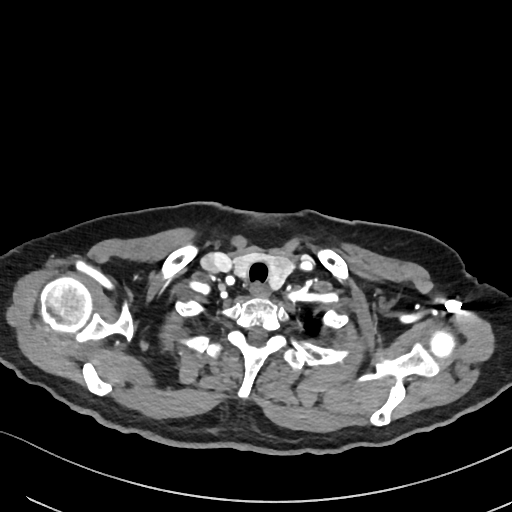
Chest-level CT slice, above the liver and spleen · Axial slice 290/297
At this level of the chest this dataset labels only the esophagus and the aorta, and each is boxed only where it is labeled; the heart and lungs are never labeled.
Bounding boxes in pixels, one row per box: x1, y1 is the top-left corner and x2, y2 the bottom-right.
| organ | x1 | y1 | x2 | y2 |
|---|---|---|---|---|
| esophagus | 250 | 284 | 269 | 295 |